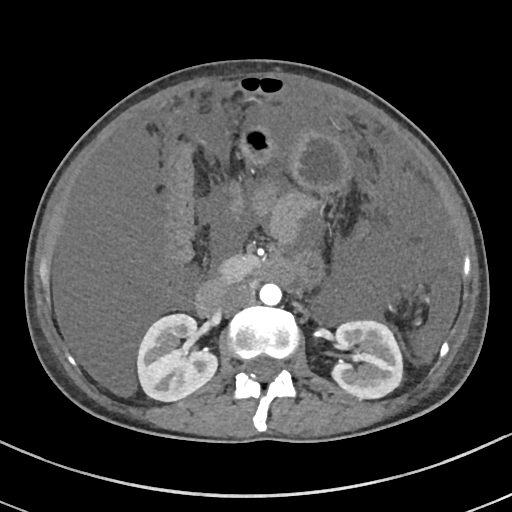

CT abdomen — axial view — acquired on SOMATOM Force
Boxes are (x1, y1, x2, y2) in pixels. The annotated organs in this slice are: aorta at (259, 283, 281, 305), duodenum at (196, 258, 293, 316), pancreas at (219, 255, 257, 281), right kidney at (137, 314, 217, 401), stomach at (240, 126, 351, 191), inferior vena cava at (219, 284, 253, 312), left kidney at (332, 321, 402, 398).